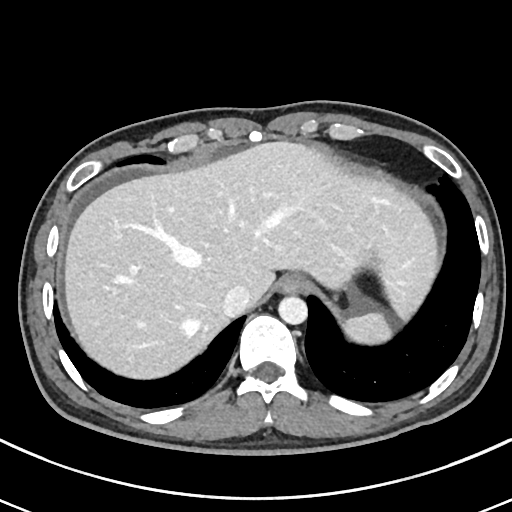 CT, abdomen/pelvis; axial view
Boxes: x1 y1 x2 y2 (pixel coords, space-separated).
Organ bounding boxes:
- spleen: 344 312 393 344
- aorta: 278 296 307 325
- stomach: 345 284 357 298
- liver: 65 142 437 377
- esophagus: 278 275 305 294
- inferior vena cava: 222 285 251 316